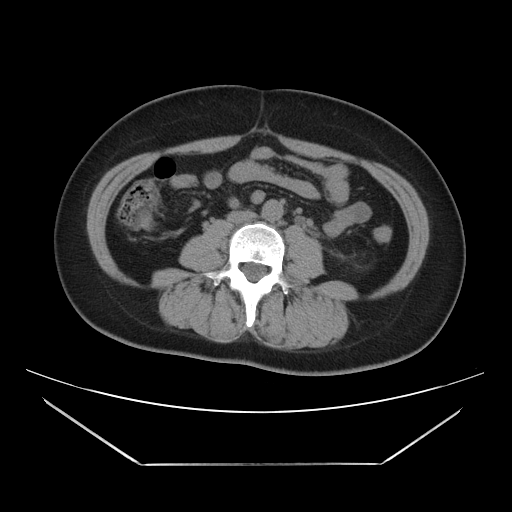
CT abdomen. axial view
Boxes: x1:y1:x2:y2 in pixels.
Organ bounding boxes:
- aorta: 261:199:283:221
- inferior vena cava: 227:211:255:223